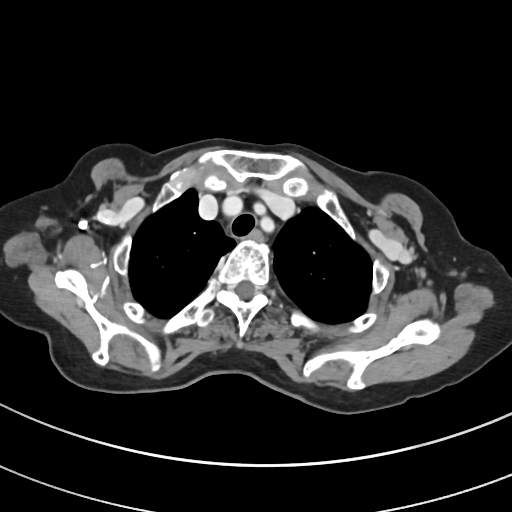 CT of the abdomen extending into the chest, slice through the chest. axial view. W/L 400/40 HU. 512x512 px. SOMATOM Force scanner
At this level of the chest no structure but the esophagus and the aorta has a label in this dataset, and those two are boxed only where they are labeled.
{"organs":{"esophagus":[249,229,265,241]}}